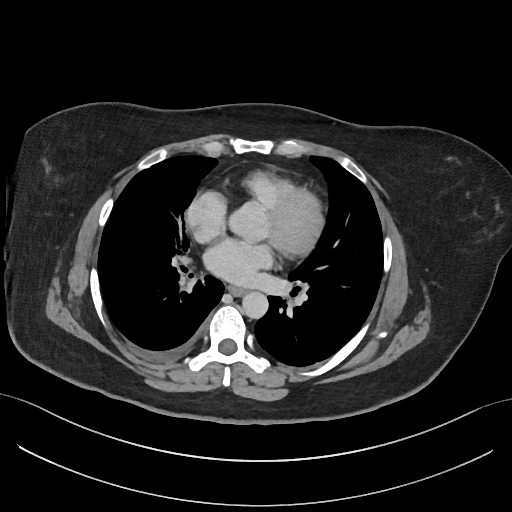 CT of the abdomen reaching into the lower chest, slice just above the liver and spleen — axial view
No part of the heart or lungs is labeled in this dataset, so neither has a box here.
{"organs":{"esophagus":[228,286,246,296],"aorta":[242,292,268,319]}}